CT abdomen; axial view; 512x512 px; 45-year-old male patient
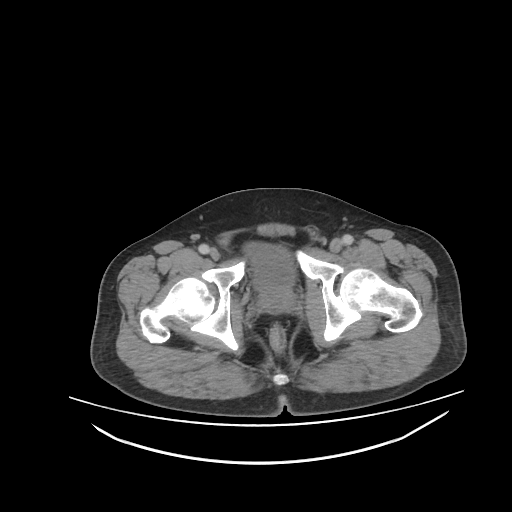

Boxes: x1:y1:x2:y2 in pixels.
Organ bounding boxes:
- bladder: 244:241:294:289
- prostate/uterus: 256:283:293:310